Computed tomography, abdomen · axial view · 50-year-old male patient
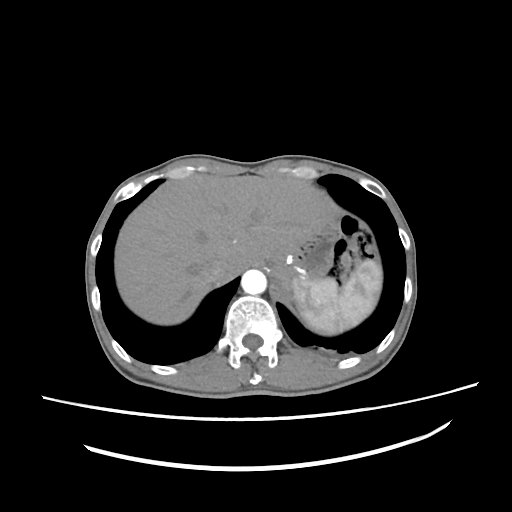

Box edges are left/top/right/bottom in pixels. 4 labeled organs on this slice — spleen at left=296, top=259, right=382, bottom=334; aorta at left=241, top=269, right=266, bottom=294; liver at left=115, top=174, right=333, bottom=325; inferior vena cava at left=201, top=259, right=227, bottom=282.